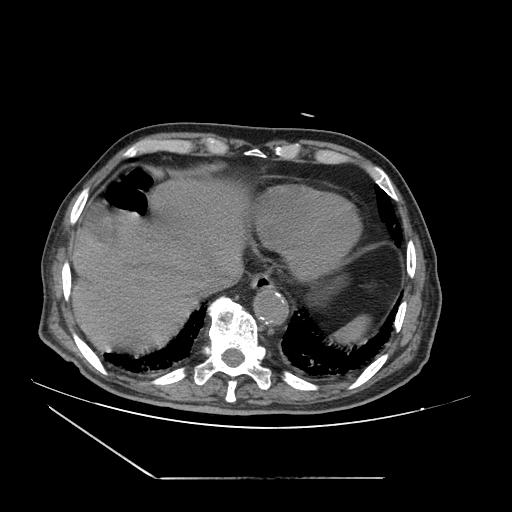 CT abdomen; axial view; scan has 15 labeled organs (that count is for the whole scan; organs this slice misses have no box)
Coordinates as <box>x1,y1,x2,y2</box> in pixels. Labeled organs on this slice: spleen at <box>333,316,366,339</box>, gall bladder at <box>86,204,115,242</box>, esophagus at <box>250,275,273,293</box>, liver at <box>72,177,249,350</box>, aorta at <box>255,289,288,326</box>, inferior vena cava at <box>200,265,243,293</box>.